CT abdomen. axial plane, index 48. 512x512 px. scan has 15 labeled organs (counted over the whole 3D scan, not this slice; an organ is boxed only where this slice passes through it)
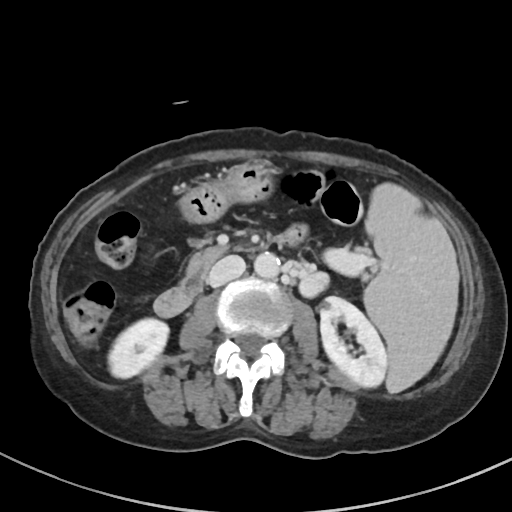
Each box given as x1,y1,x2,y2.
Organ bounding boxes:
- spleen: x1=363, y1=183, x2=458, y2=392
- right kidney: x1=108, y1=318, x2=168, y2=378
- left kidney: x1=320, y1=296, x2=387, y2=386
- stomach: x1=179, y1=162, x2=274, y2=223
- aorta: x1=254, y1=252, x2=279, y2=277
- inferior vena cava: x1=207, y1=255, x2=245, y2=286
- pancreas: x1=186, y1=246, x2=224, y2=279
- duodenum: x1=154, y1=235, x2=293, y2=316